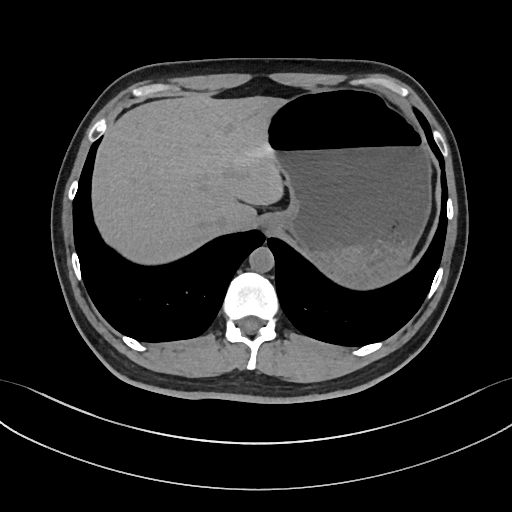 Computed tomography, abdomen — axial view — soft-tissue window
<organs><organ name="esophagus" x1="262" y1="220" x2="276" y2="233"/><organ name="liver" x1="92" y1="96" x2="286" y2="264"/><organ name="stomach" x1="265" y1="90" x2="431" y2="288"/><organ name="aorta" x1="249" y1="246" x2="273" y2="272"/><organ name="inferior vena cava" x1="212" y1="216" x2="226" y2="232"/></organs>